CT, abdomen/pelvis; axial view; W/L 400/40 HU; 512x512 px; scan has 15 labeled organs (that count is for the whole scan; organs this slice misses have no box)
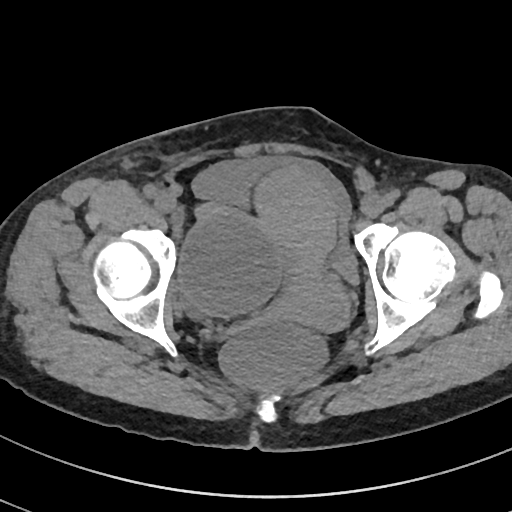

One row per box, in pixels: columns x1 and y1 give the top-left corner, x2 and y2 the bottom-right.
| organ | x1 | y1 | x2 | y2 |
|---|---|---|---|---|
| bladder | 190 | 156 | 360 | 284 |
| prostate/uterus | 255 | 168 | 348 | 332 |